Computed tomography, abdomen — axial view — soft-tissue window (W 400 / L 40)
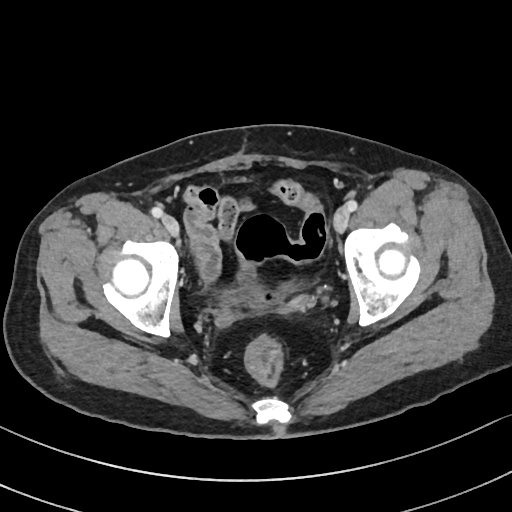
Bounding boxes as [x1, y1, x2, y2] in pixel coordinates.
bladder: [223, 285, 292, 308]